CT abdomen — axial view — abdomen soft-tissue window — 512x512 px
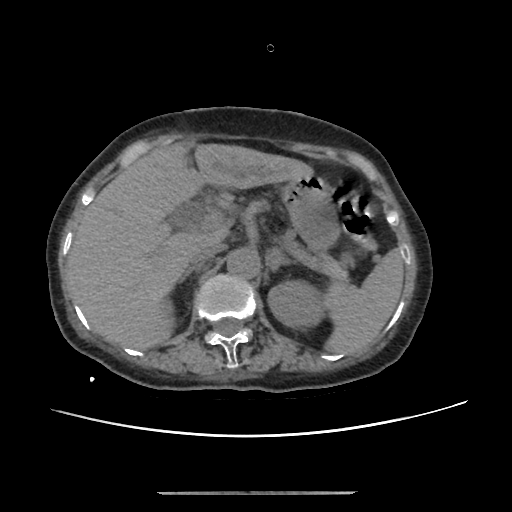

Boxes: x1:y1:x2:y2 in pixels. 9 labeled organs on this slice — spleen at 324:249:403:353; left kidney at 268:280:325:327; liver at 68:142:313:349; stomach at 282:175:339:250; aorta at 226:248:259:278; inferior vena cava at 188:243:222:269; pancreas at 283:231:352:281; right adrenal gland at 179:269:200:282; left adrenal gland at 266:248:291:271.